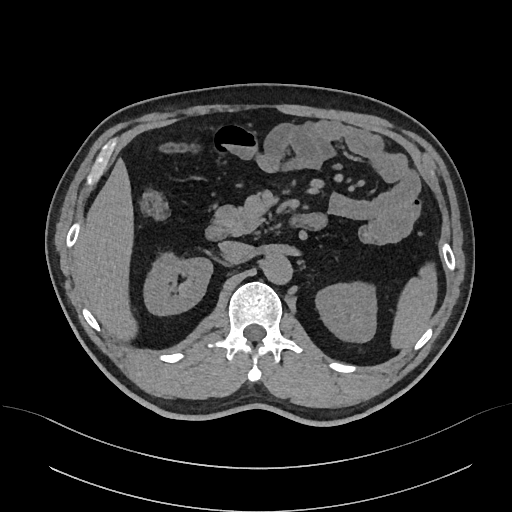
Abdominal CT; Axial slice 178/265; 512x512 px
{"organs":{"inferior vena cava":[219,241,251,261],"duodenum":[204,225,227,241],"aorta":[262,255,293,285],"left kidney":[316,282,377,343],"right kidney":[145,254,212,316],"liver":[74,157,141,344],"pancreas":[211,205,263,235],"spleen":[389,265,438,350]}}